CT of the abdomen reaching into the lower chest, slice just above the liver and spleen — axial plane, index 210 — 512x512 px
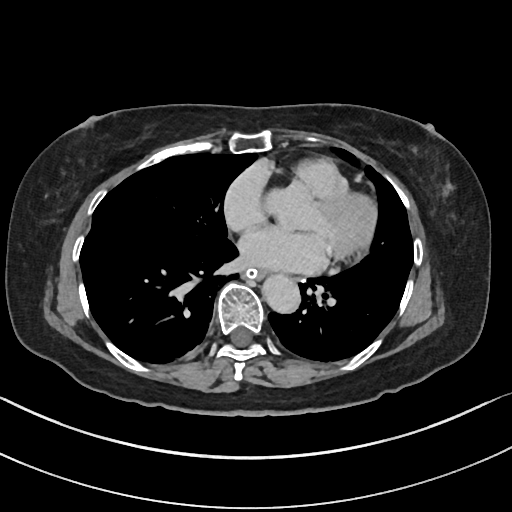 The heart and lungs are never labeled in this dataset, so they have no box on this slice.
Boxes are (x1, y1, x2, y2) in pixels.
esophagus: (246, 269, 267, 280)
aorta: (262, 274, 300, 313)